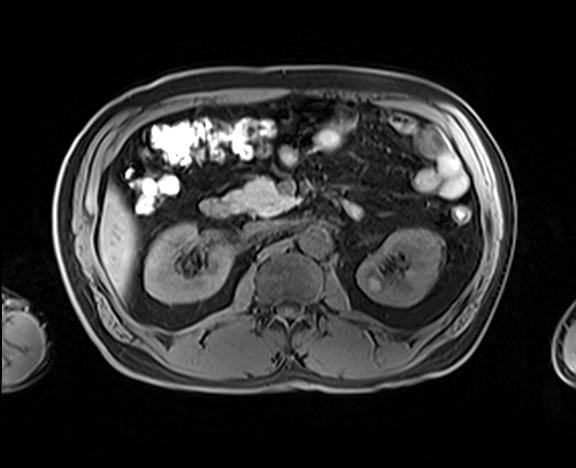
Abdominal MR. axial view. percentile-normalized. Prisma scanner. 13 organs annotated in this scan (counted over the whole 3D scan, not this slice; an organ is boxed only where this slice passes through it)
<organs><organ name="right kidney" x1="144" y1="223" x2="233" y2="303"/><organ name="left kidney" x1="357" y1="229" x2="442" y2="306"/><organ name="liver" x1="99" y1="187" x2="137" y2="294"/><organ name="aorta" x1="298" y1="226" x2="331" y2="255"/><organ name="inferior vena cava" x1="246" y1="221" x2="287" y2="233"/><organ name="pancreas" x1="226" y1="176" x2="295" y2="216"/><organ name="duodenum" x1="201" y1="199" x2="234" y2="217"/></organs>